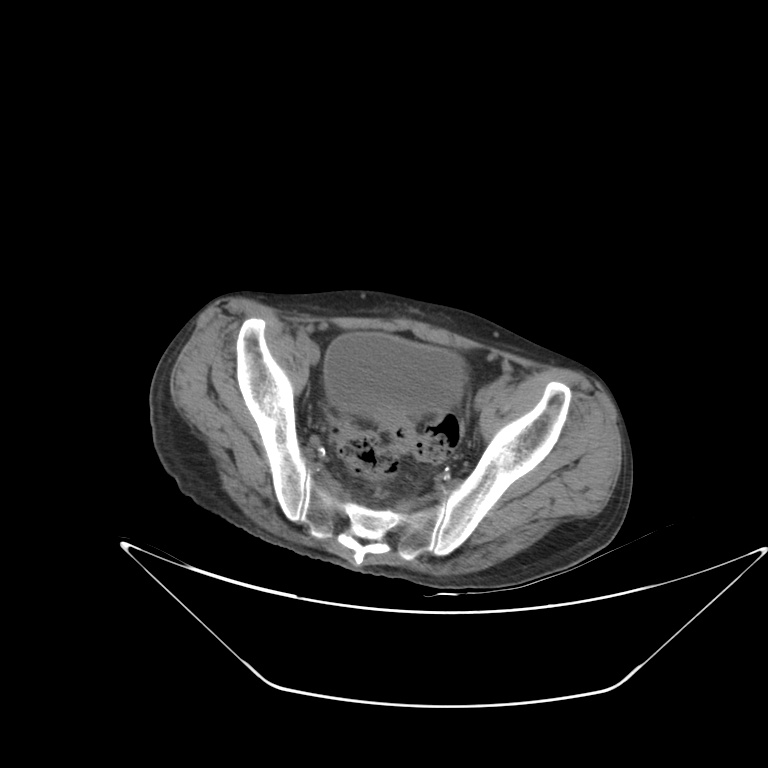
Computed tomography, abdomen; axial plane, index 23; abdomen soft-tissue window; 56-year-old male patient; Brilliance16 scanner
Boxes: x1:y1:x2:y2 in pixels.
bladder: 324:332:466:417